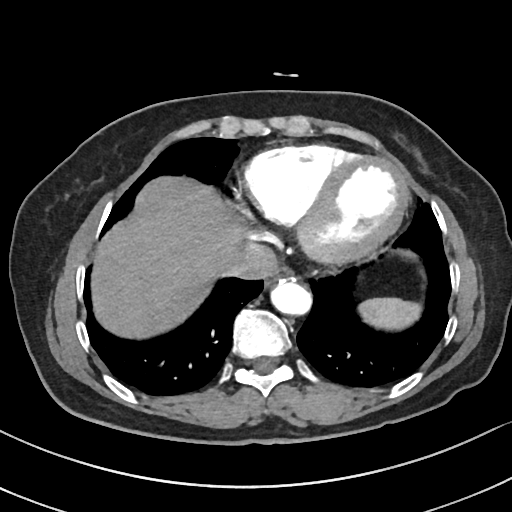
CT, abdomen/pelvis — axial view — abdomen soft-tissue window — SOMATOM Force scanner
Bounding boxes in pixels, one row per box: x1, y1 is the top-left corner and x2, y2 the bottom-right.
| organ | x1 | y1 | x2 | y2 |
|---|---|---|---|---|
| spleen | 358 | 298 | 421 | 329 |
| esophagus | 264 | 265 | 293 | 284 |
| liver | 91 | 176 | 243 | 338 |
| aorta | 270 | 278 | 311 | 314 |
| inferior vena cava | 221 | 242 | 277 | 279 |